CT, abdomen/pelvis; axial view; W/L 400/40 HU; acquired on SOMATOM Force
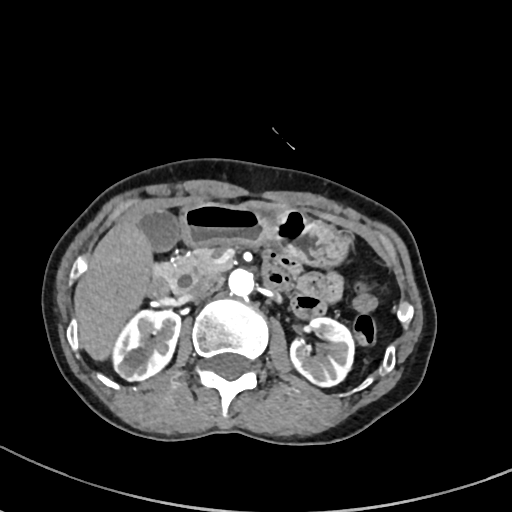
One row per box, in pixels: columns x1 and y1 give the top-left corner, x2 and y2 the bottom-right.
| organ | x1 | y1 | x2 | y2 |
|---|---|---|---|---|
| right kidney | 114 | 309 | 181 | 381 |
| left kidney | 289 | 317 | 354 | 387 |
| gall bladder | 138 | 209 | 178 | 251 |
| liver | 73 | 199 | 291 | 359 |
| stomach | 177 | 201 | 351 | 268 |
| aorta | 228 | 269 | 257 | 297 |
| inferior vena cava | 183 | 275 | 217 | 300 |
| pancreas | 156 | 247 | 230 | 294 |
| duodenum | 147 | 260 | 294 | 299 |